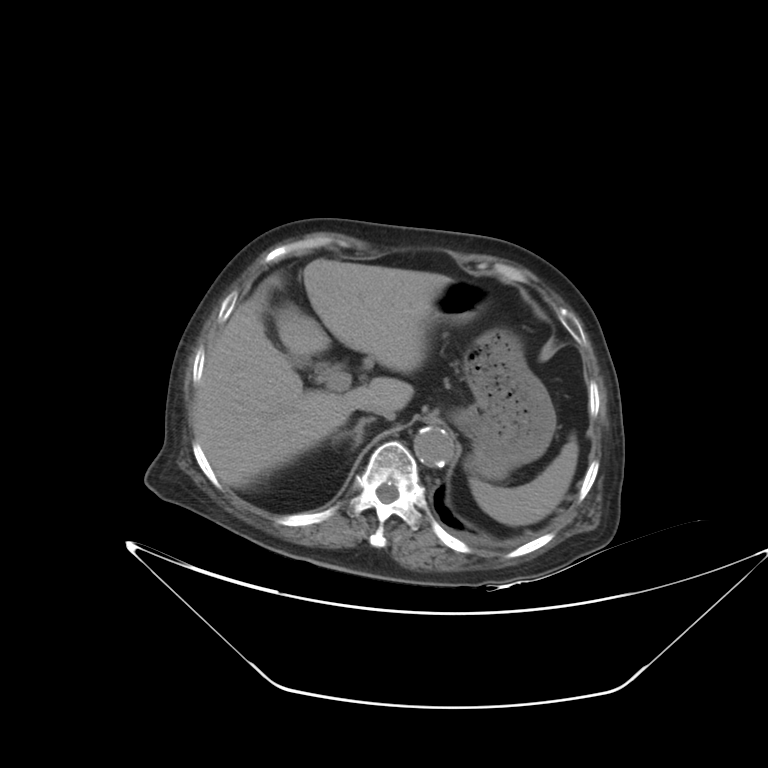

Computed tomography, abdomen; axial view; abdomen soft-tissue window; 768x768 px; acquired on Brilliance16
Coordinates as <box>x1,y1,x2,y2</box> in pixels. The annotated organs in this slice are: spleen at <box>470,435,578,525</box>, gall bladder at <box>293,358,309,367</box>, liver at <box>191,258,450,488</box>, stomach at <box>433,280,556,480</box>, aorta at <box>414,426,454,467</box>, inferior vena cava at <box>362,403,394,419</box>, right adrenal gland at <box>331,417,375,452</box>.